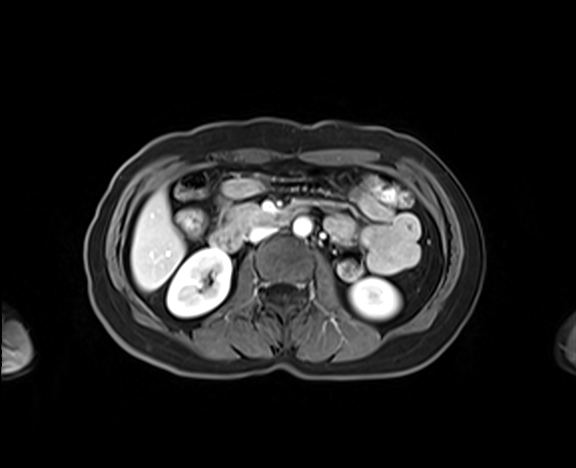 MRI, abdomen — Axial slice 21/72 — percentile-normalized — 576x468 px — acquired on Prisma
<organs><organ name="right kidney" x1="167" y1="249" x2="231" y2="317"/><organ name="left kidney" x1="350" y1="277" x2="400" y2="319"/><organ name="liver" x1="131" y1="191" x2="184" y2="290"/><organ name="aorta" x1="293" y1="217" x2="311" y2="236"/><organ name="inferior vena cava" x1="248" y1="226" x2="275" y2="242"/><organ name="pancreas" x1="225" y1="204" x2="267" y2="231"/><organ name="duodenum" x1="210" y1="203" x2="308" y2="250"/></organs>